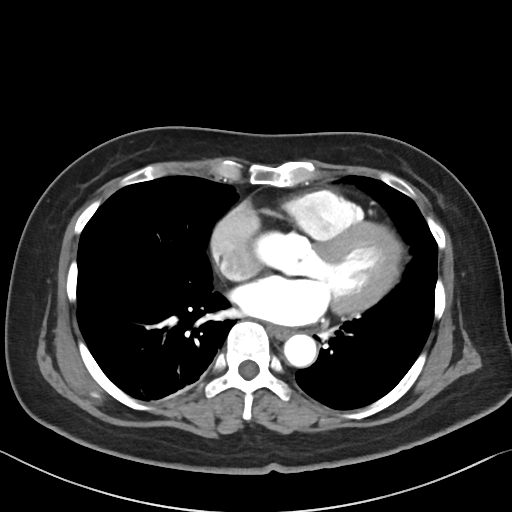
CT of the abdomen reaching into the lower chest, slice just above the liver and spleen; Axial slice 87/88; soft-tissue window (W 400 / L 40)
No part of the heart or lungs is labeled in this dataset, so neither has a box here.
<organs><organ name="esophagus" x1="268" y1="325" x2="291" y2="338"/><organ name="aorta" x1="284" y1="334" x2="316" y2="367"/></organs>